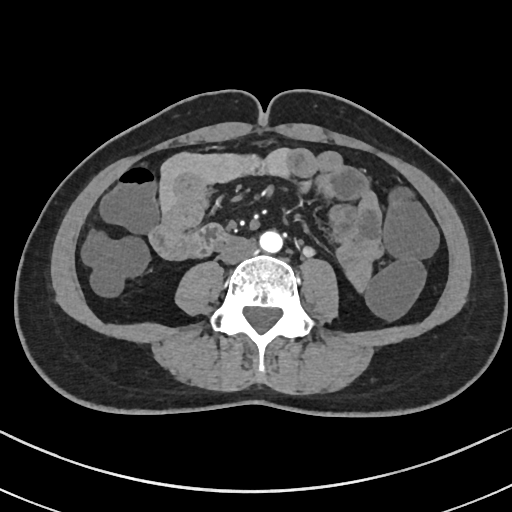 CT, abdomen/pelvis. Axial slice 132/242
Each box given as x1,y1,x2,y2.
aorta: x1=259, y1=231, x2=282, y2=252
inferior vena cava: x1=220, y1=237, x2=257, y2=263
duodenum: x1=192, y1=223, x2=228, y2=257